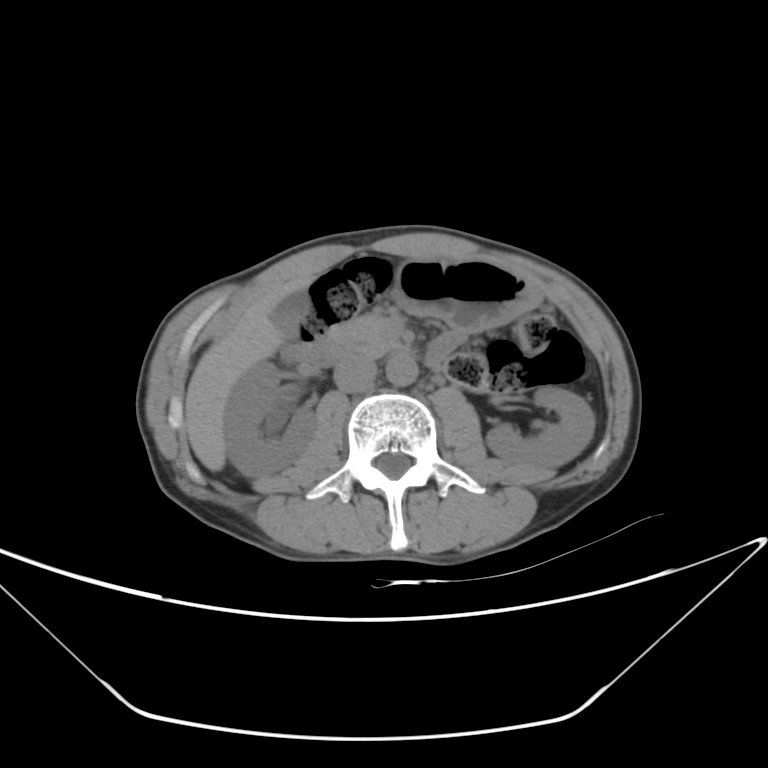
CT abdomen. axial view. 53-year-old male patient
Boxes are (x1, y1, x2, y2) in pixels. 9 labeled organs on this slice — right kidney at (223, 362, 316, 476); left kidney at (486, 385, 595, 475); gall bladder at (271, 291, 308, 336); liver at (185, 275, 311, 471); stomach at (391, 259, 536, 333); aorta at (386, 352, 418, 385); inferior vena cava at (332, 356, 376, 391); pancreas at (325, 314, 399, 356); duodenum at (282, 331, 463, 370).